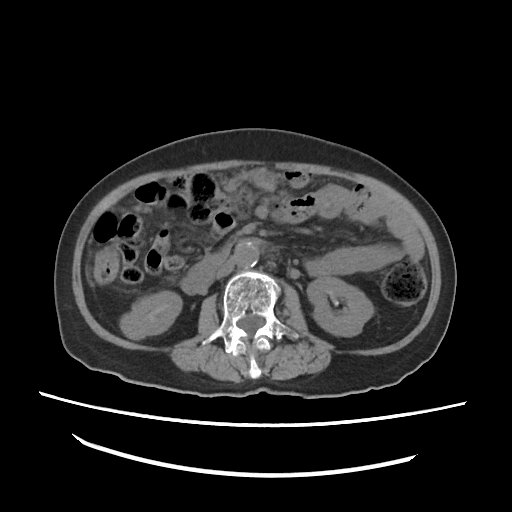

Computed tomography, abdomen · axial view · 512x512 px
{"organs":{"right kidney":[118,292,181,338],"left kidney":[308,276,372,335],"aorta":[234,244,258,268],"inferior vena cava":[217,256,234,278],"duodenum":[181,247,228,294]}}